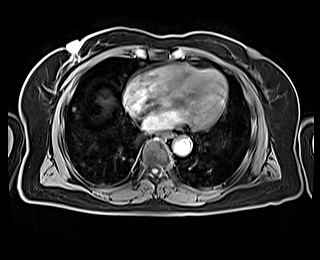
MRI, abdomen; axial view; 320x260 px; 13 organs annotated in this scan (that count is for the whole scan; organs this slice misses have no box)
Boxes: x1:y1:x2:y2 in pixels.
aorta: 173:137:191:155
esophagus: 159:133:172:138
liver: 100:94:115:109